CT abdomen. axial view. 62-year-old female patient
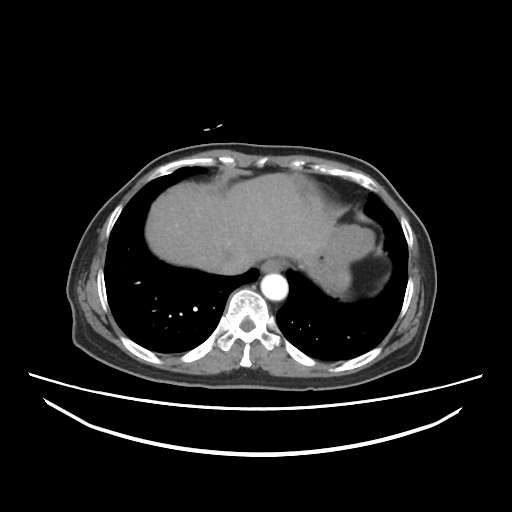 <organs><organ name="esophagus" x1="260" y1="259" x2="284" y2="274"/><organ name="liver" x1="146" y1="173" x2="335" y2="270"/><organ name="stomach" x1="300" y1="224" x2="373" y2="296"/><organ name="aorta" x1="260" y1="273" x2="289" y2="300"/><organ name="inferior vena cava" x1="211" y1="255" x2="250" y2="274"/></organs>